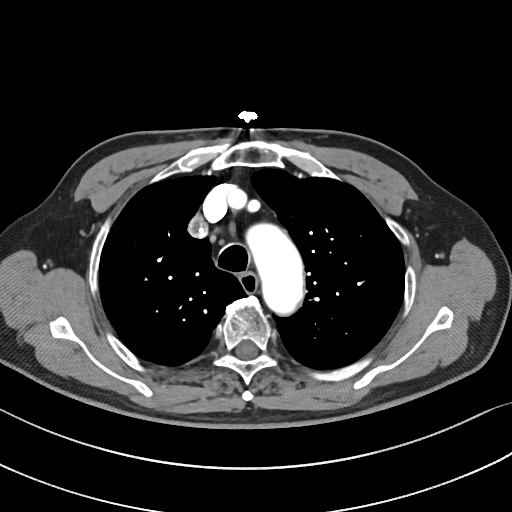
Chest-level slice from an abdominal CT that extends up into the chest. axial view
At this level of the chest this dataset labels only the esophagus and the aorta, and each is boxed only where it is labeled; the heart and lungs are never labeled.
One row per box, in pixels: columns x1 and y1 give the top-left corner, x2 and y2 the bottom-right.
| organ | x1 | y1 | x2 | y2 |
|---|---|---|---|---|
| esophagus | 239 | 273 | 258 | 294 |
| aorta | 246 | 223 | 303 | 314 |